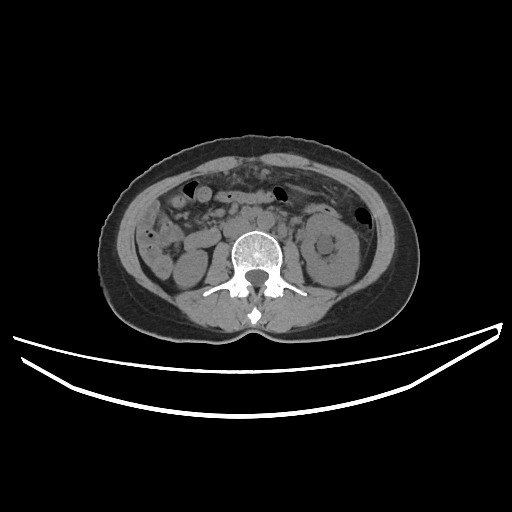
CT, abdomen/pelvis — Axial slice 50/81 — 512x512 px — 50-year-old female patient — scan has 15 labeled organs (that count is for the whole scan; organs this slice misses have no box)
<organs><organ name="aorta" x1="257" y1="212" x2="274" y2="229"/><organ name="right kidney" x1="173" y1="250" x2="207" y2="287"/><organ name="left kidney" x1="301" y1="214" x2="359" y2="286"/><organ name="inferior vena cava" x1="223" y1="219" x2="250" y2="238"/></organs>